Computed tomography, abdomen; Axial slice 81/99; 15 organs annotated in this scan (a whole-scan count: organs this slice does not pass through have no box)
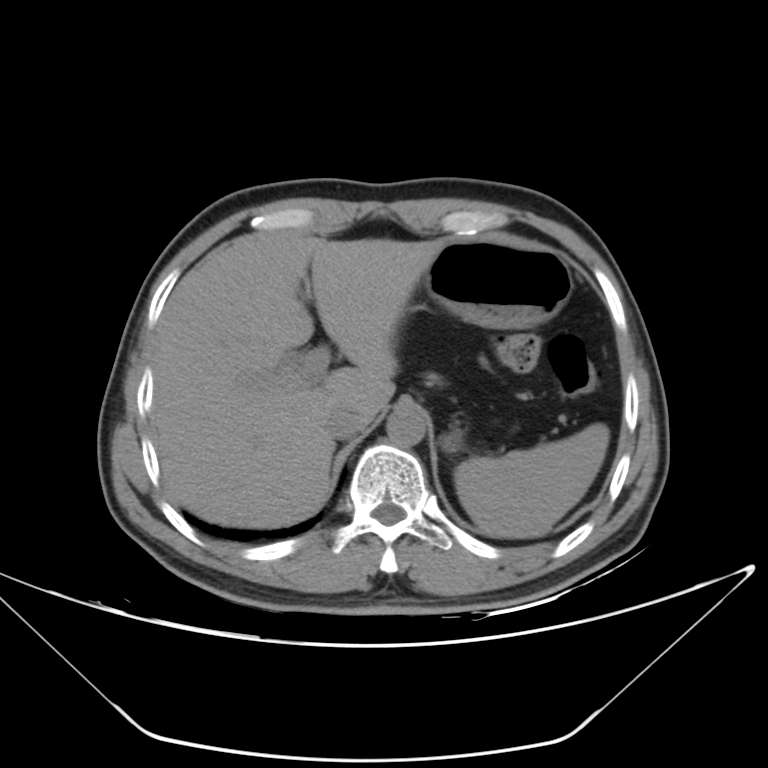 {"organs":{"spleen":[454,423,609,538],"inferior vena cava":[325,405,364,439],"stomach":[422,241,572,451],"aorta":[386,406,426,446],"liver":[152,230,445,527]}}